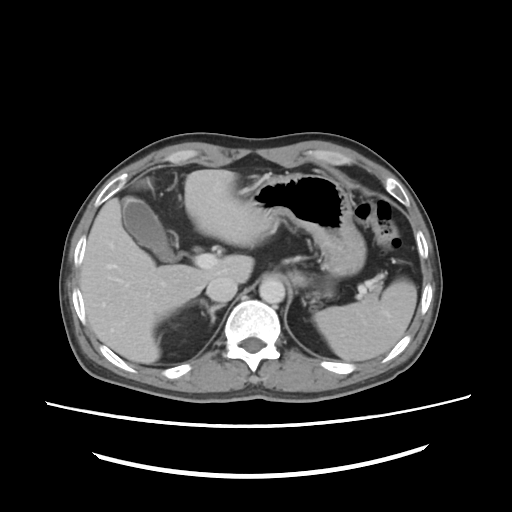
Computed tomography, abdomen · Axial slice 76/126 · W/L 400/40 HU
Coordinates as <box>x1,y1,x2,y2</box> in pixels.
spleen: <box>313,280,415,362</box>
gall bladder: <box>121,196,174,264</box>
liver: <box>80,169,269,364</box>
stomach: <box>237,174,365,287</box>
aorta: <box>259,276,285,302</box>
inferior vena cava: <box>207,276,237,300</box>
pancreas: <box>361,284,381,302</box>
right adrenal gland: <box>199,300,225,323</box>